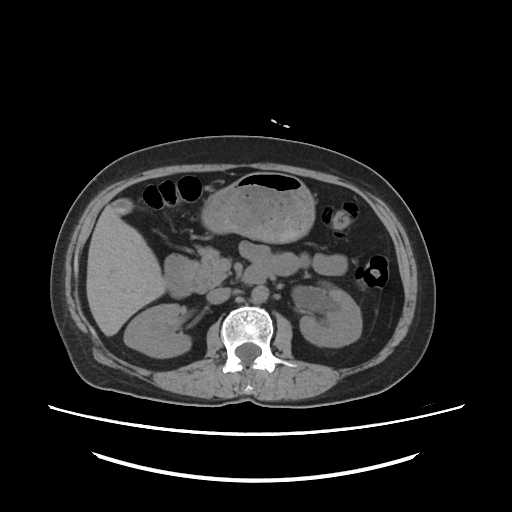
Abdominal CT — axial view — 15 organs annotated in this scan (counted over the whole 3D scan, not this slice; an organ is boxed only where this slice passes through it)
One row per box, in pixels: columns x1 and y1 give the top-left corner, x2 and y2 the bottom-right.
| organ | x1 | y1 | x2 | y2 |
|---|---|---|---|---|
| right kidney | 124 | 303 | 191 | 358 |
| left kidney | 300 | 288 | 362 | 347 |
| gall bladder | 112 | 197 | 132 | 212 |
| liver | 87 | 203 | 166 | 335 |
| stomach | 201 | 171 | 314 | 243 |
| aorta | 252 | 285 | 269 | 303 |
| inferior vena cava | 206 | 288 | 228 | 303 |
| pancreas | 192 | 247 | 229 | 291 |
| duodenum | 165 | 254 | 266 | 297 |